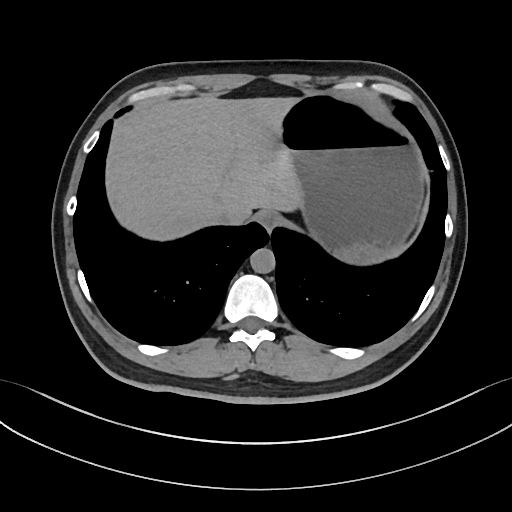 CT abdomen; axial view; soft-tissue window; 512x512 px
Box edges are left/top/right/bottom in pixels.
Organ bounding boxes:
- esophagus: left=256, top=210, right=278, bottom=230
- liver: left=106, top=96, right=301, bottom=240
- stomach: left=283, top=95, right=421, bottom=264
- aorta: left=250, top=248, right=275, bottom=273
- inferior vena cava: left=211, top=209, right=231, bottom=222